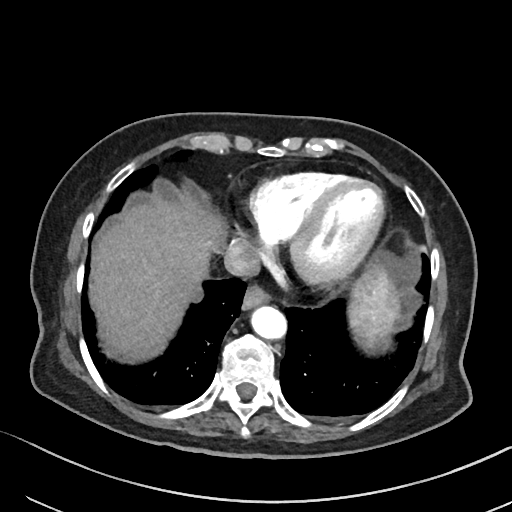

CT, abdomen/pelvis · axial plane, index 206 · W/L 400/40 HU · SOMATOM Force scanner
Boxes are (x1, y1, x2, y2) in pixels. 5 labeled organs on this slice — aorta at (249, 305, 285, 338); esophagus at (243, 284, 271, 307); liver at (91, 200, 225, 357); inferior vena cava at (223, 237, 259, 277); spleen at (349, 260, 400, 349).